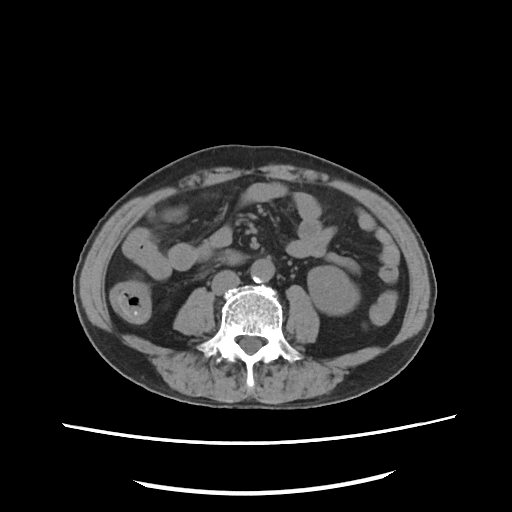
CT abdomen — axial view — 512x512 px — scan has 15 labeled organs (a whole-scan count: organs this slice does not pass through have no box)
<organs><organ name="left kidney" x1="307" y1="266" x2="359" y2="314"/><organ name="aorta" x1="250" y1="258" x2="274" y2="282"/><organ name="inferior vena cava" x1="211" y1="270" x2="239" y2="294"/><organ name="duodenum" x1="228" y1="253" x2="240" y2="262"/></organs>